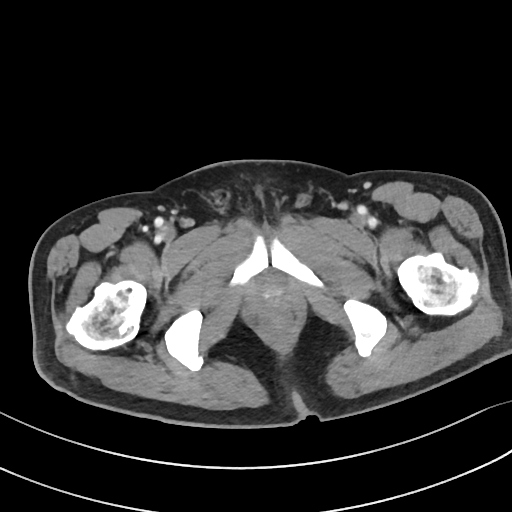 Abdominal CT · Axial slice 6/128 · soft-tissue window (W 400 / L 40)
One row per box, in pixels: columns x1 and y1 give the top-left corner, x2 and y2 the bottom-right.
| organ | x1 | y1 | x2 | y2 |
|---|---|---|---|---|
| prostate/uterus | 257 | 281 | 291 | 313 |